Abdominal CT; this slice is in the lower chest, just above the liver; Axial slice 216/297; soft-tissue window (W 400 / L 40)
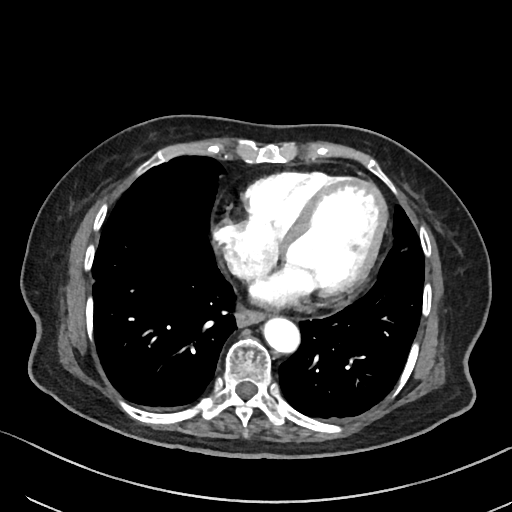

No part of the heart or lungs is labeled in this dataset, so neither has a box here.
Organ boxes in pixel coordinates; each row gives the top-left (x1, y1) and bottom-right (x2, y2) corners.
| organ | x1 | y1 | x2 | y2 |
|---|---|---|---|---|
| esophagus | 236 | 310 | 265 | 326 |
| aorta | 263 | 318 | 300 | 353 |
| inferior vena cava | 227 | 254 | 243 | 274 |